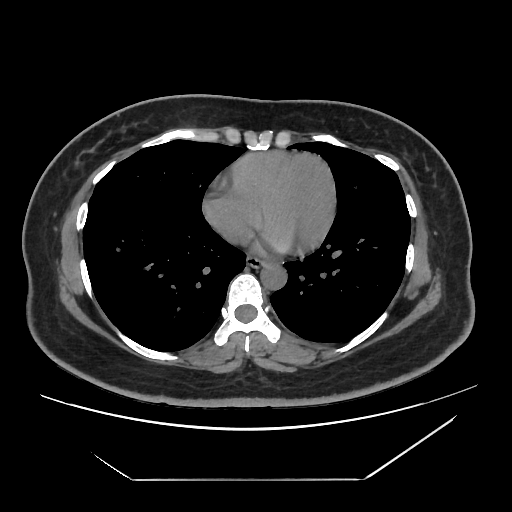
CT of the abdomen reaching into the lower chest, slice just above the liver and spleen · axial view · soft-tissue window, W/L 400/40
No part of the heart or lungs is labeled in this dataset, so neither has a box here. Each box given as x1,y1,x2,y2. The annotated organs in this slice are: esophagus at x1=247, y1=253, x2=265, y2=266, aorta at x1=260, y1=262, x2=286, y2=288.